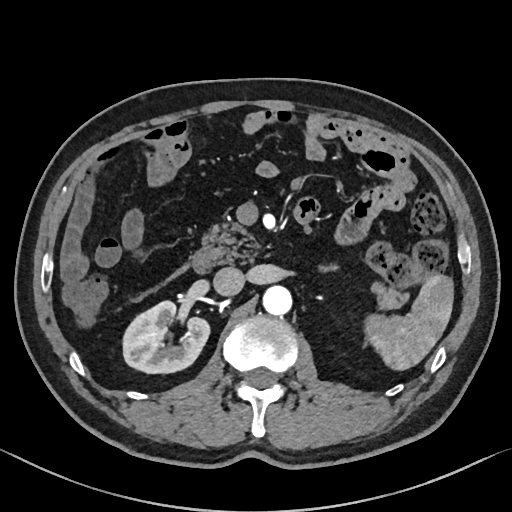 Abdominal CT. axial view. soft-tissue window (W 400 / L 40)
Boxes: x1 y1 x2 y2 (pixel coords, space-separated).
Organ bounding boxes:
- spleen: 364 274 453 370
- right kidney: 123 301 209 373
- aorta: 262 285 292 316
- inferior vena cava: 213 267 244 296
- pancreas: 202 222 408 309
- left adrenal gland: 320 265 340 272
- duodenum: 190 248 216 273